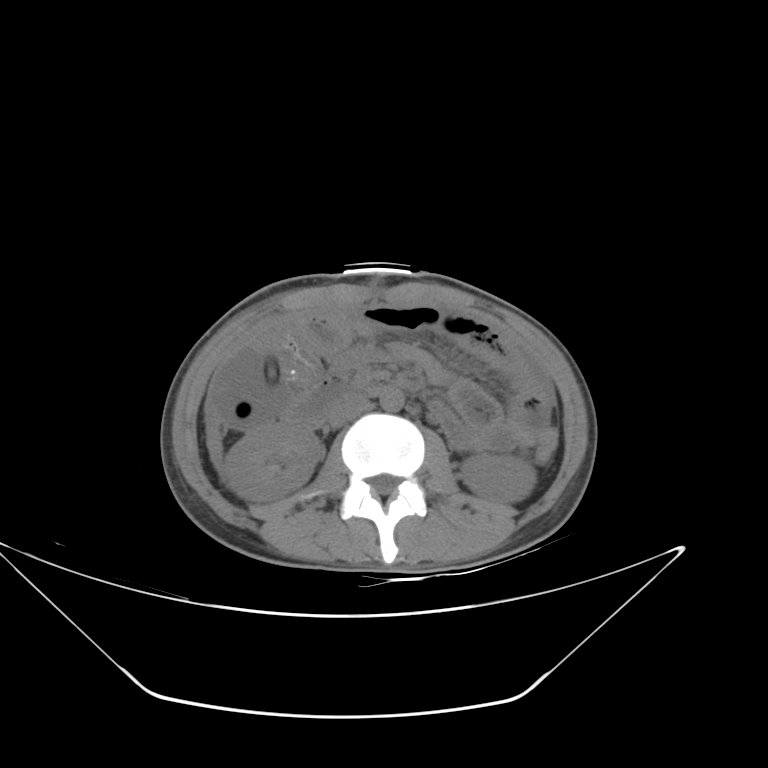

Computed tomography, abdomen; axial view; 24-year-old male patient
Boxes are (x1, y1, x2, y2) in pixels.
Organ bounding boxes:
- right kidney: (223, 423, 324, 501)
- left kidney: (461, 454, 536, 503)
- aorta: (380, 388, 404, 411)
- inferior vena cava: (327, 395, 369, 427)
- duodenum: (290, 380, 356, 427)